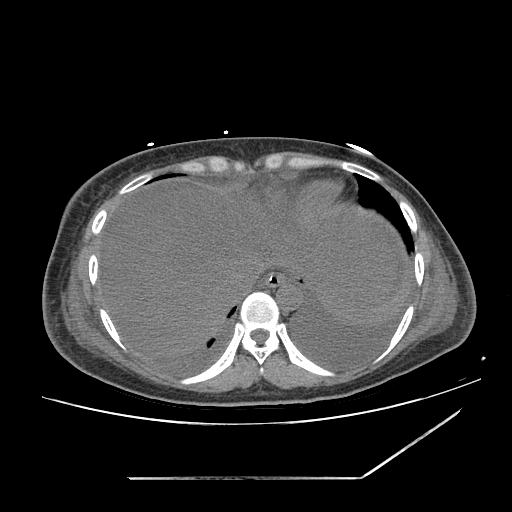

CT, abdomen/pelvis — axial plane, index 164 — 15 organs annotated in this scan (counted over the whole 3D scan, not this slice; an organ is boxed only where this slice passes through it)
Boxes are (x1, y1, x2, y2) in pixels.
Organ bounding boxes:
- aorta: (276, 283, 302, 308)
- liver: (100, 189, 398, 356)
- esophagus: (263, 272, 295, 286)
- stomach: (279, 282, 300, 308)
- inferior vena cava: (228, 266, 261, 296)